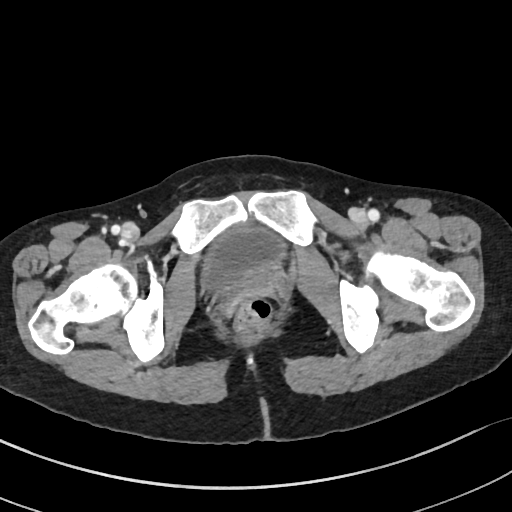

Computed tomography, abdomen. axial view
<organs><organ name="bladder" x1="204" y1="227" x2="284" y2="289"/></organs>